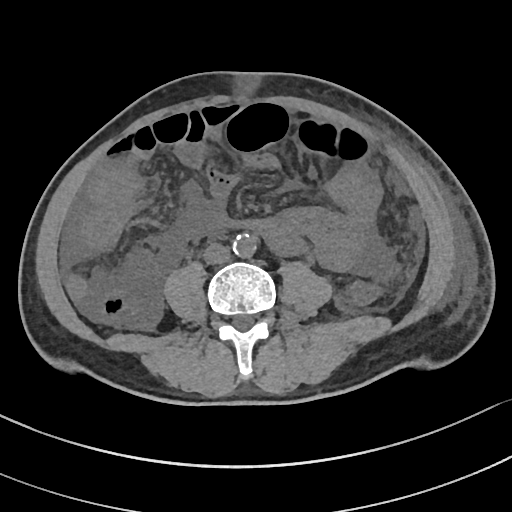 Computed tomography, abdomen · Axial slice 91/206 · soft-tissue window
Each box given as x1,y1,x2,y2.
Organ bounding boxes:
- aorta: x1=233, y1=233, x2=257, y2=257
- inferior vena cava: x1=203, y1=243, x2=231, y2=264